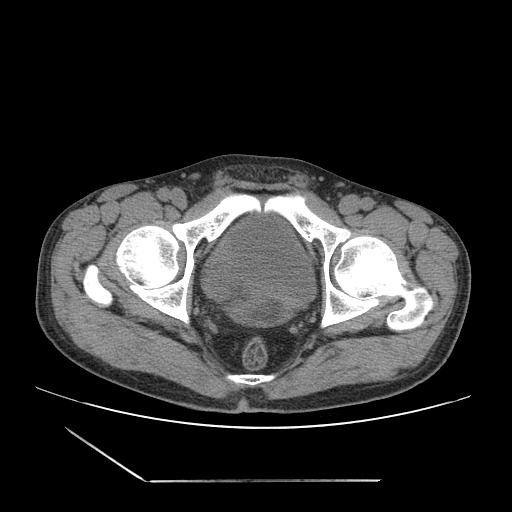
CT, abdomen/pelvis · Axial slice 29/173 · 512x512 px · 15 organs annotated in this scan (counted over the whole 3D scan, not this slice; an organ is boxed only where this slice passes through it)
{"organs":{"bladder":[203,209,317,305]}}